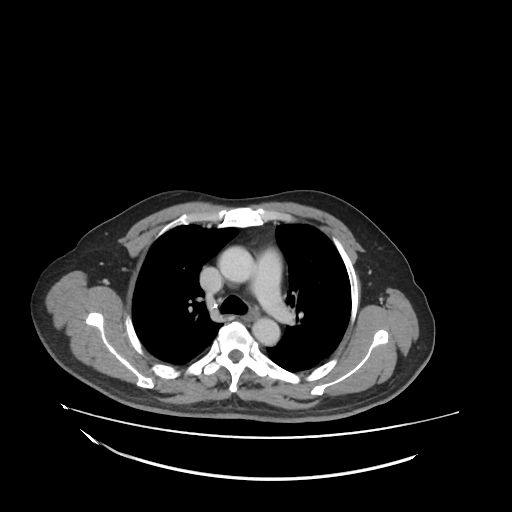

Chest-level slice from an abdominal CT that extends up into the chest; Axial slice 101/116; soft-tissue window; 66-year-old male patient; scan has 15 labeled organs (that count is for the whole scan; organs this slice misses have no box)
At this level of the chest no structure but the esophagus and the aorta has a label in this dataset, and those two are boxed only where they are labeled.
Box edges are left/top/right/bottom in pixels.
esophagus: left=242, top=307, right=258, bottom=321
aorta: left=220, top=245, right=252, bottom=281
aorta: left=253, top=317, right=279, bottom=345